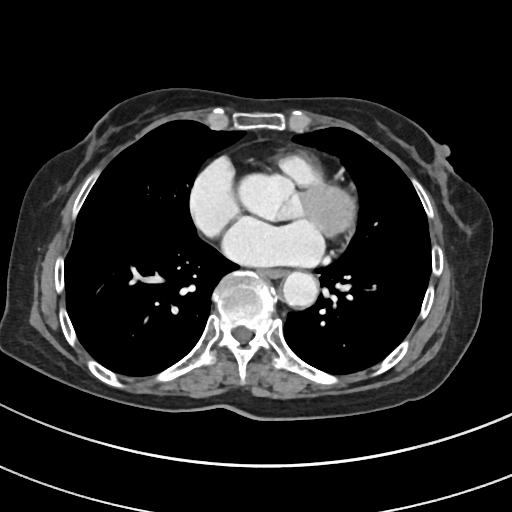
Abdominal CT; this slice is in the lower chest, just above the liver. Axial slice 204/284. soft-tissue window, W/L 400/40. SOMATOM Force scanner
No part of the heart or lungs is labeled in this dataset, so neither has a box here. Bounding boxes as [x1, y1, x2, y2] in pixel coordinates. Labeled organs on this slice: esophagus at [261, 269, 285, 277], aorta at [282, 271, 318, 307].